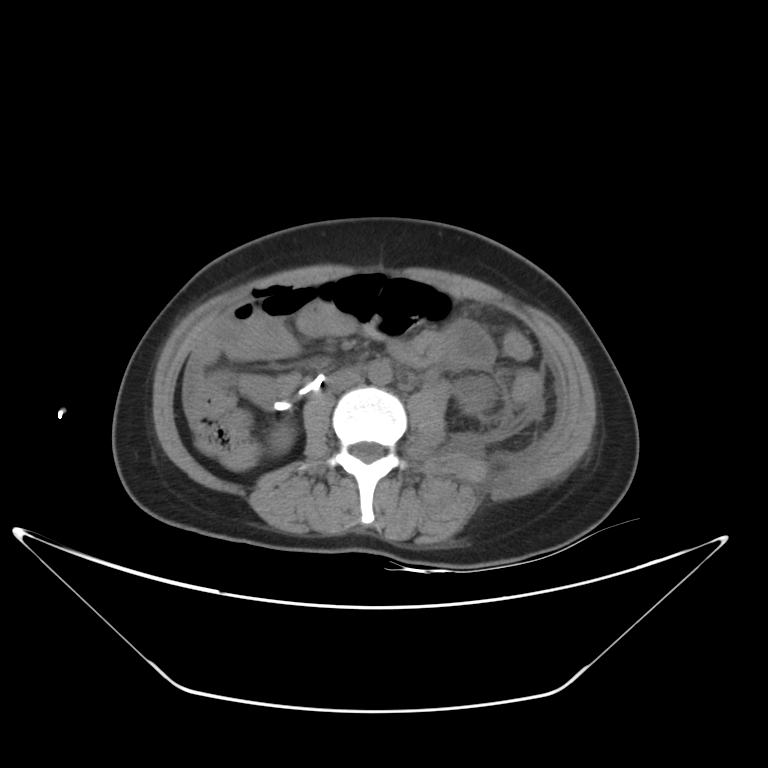 CT abdomen. axial plane, index 53. 768x768 px. Brilliance16 scanner. scan has 14 labeled organs (that count is for the whole scan; organs this slice misses have no box)
Boxes are (x1, y1, x2, y2) in pixels.
Organ bounding boxes:
- aorta: (367, 361, 392, 385)
- left kidney: (454, 377, 492, 412)
- inferior vena cava: (327, 367, 362, 392)
- right kidney: (268, 424, 294, 453)
- duodenum: (275, 376, 322, 411)